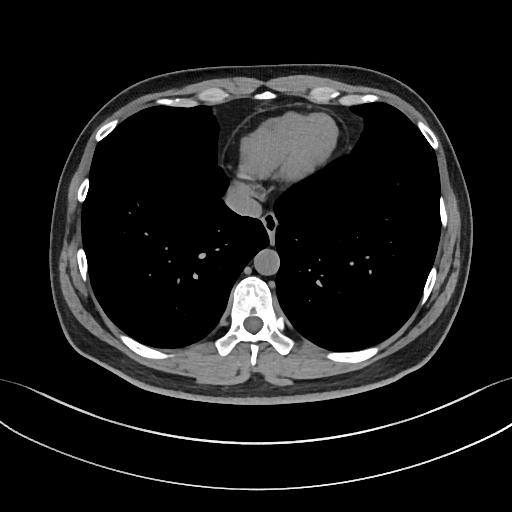
Abdominal CT; this slice is in the lower chest, just above the liver — axial view
The heart and lungs are never labeled in this dataset, so they have no box on this slice.
<organs><organ name="esophagus" x1="261" y1="214" x2="278" y2="244"/><organ name="inferior vena cava" x1="225" y1="182" x2="262" y2="218"/><organ name="aorta" x1="254" y1="249" x2="279" y2="275"/></organs>